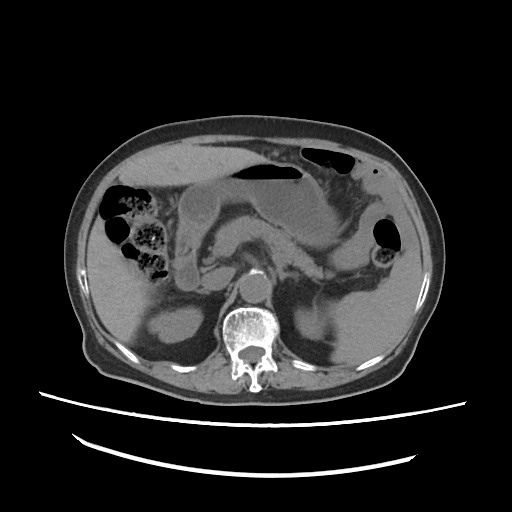

Computed tomography, abdomen; Axial slice 68/100; soft-tissue window (W 400 / L 40); 512x512 px; 15 organs annotated in this scan (counted over the whole 3D scan, not this slice; an organ is boxed only where this slice passes through it)
<organs><organ name="spleen" x1="328" y1="249" x2="421" y2="366"/><organ name="right kidney" x1="147" y1="310" x2="202" y2="343"/><organ name="left kidney" x1="295" y1="309" x2="323" y2="339"/><organ name="liver" x1="86" y1="144" x2="269" y2="343"/><organ name="stomach" x1="175" y1="163" x2="340" y2="264"/><organ name="aorta" x1="238" y1="271" x2="269" y2="302"/><organ name="inferior vena cava" x1="203" y1="269" x2="231" y2="289"/><organ name="pancreas" x1="216" y1="217" x2="339" y2="280"/><organ name="right adrenal gland" x1="195" y1="290" x2="208" y2="293"/><organ name="left adrenal gland" x1="276" y1="271" x2="299" y2="281"/><organ name="duodenum" x1="175" y1="258" x2="199" y2="288"/></organs>